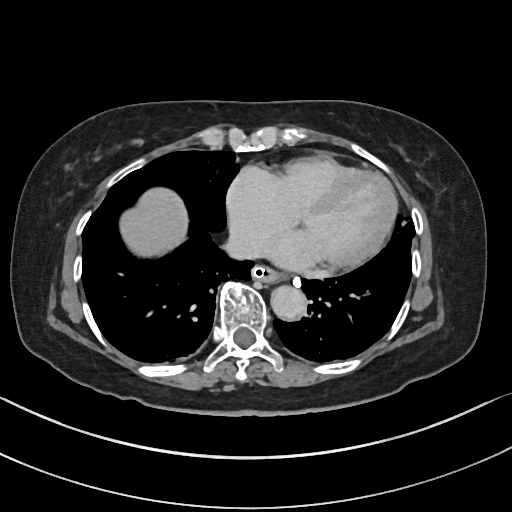 CT abdomen — Axial slice 202/212 — acquired on SOMATOM Force
Boxes are (x1, y1, x2, y2) in pixels.
inferior vena cava: (219, 228, 265, 262)
aorta: (271, 286, 307, 320)
esophagus: (253, 265, 283, 283)
liver: (119, 189, 189, 255)